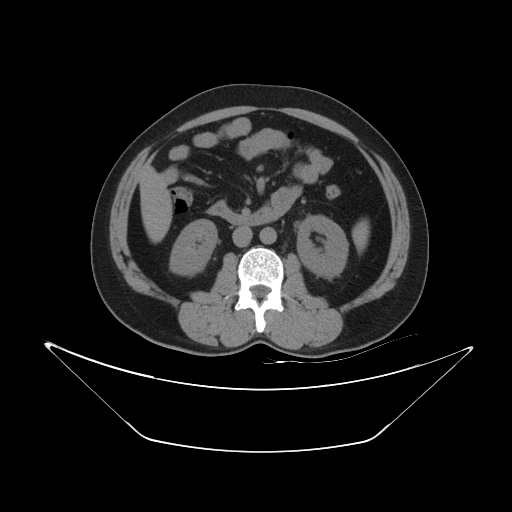
Abdominal CT · axial plane, index 53 · soft-tissue window · 41-year-old male patient
<organs><organ name="liver" x1="139" y1="165" x2="173" y2="243"/><organ name="spleen" x1="352" y1="219" x2="369" y2="253"/><organ name="duodenum" x1="207" y1="201" x2="276" y2="226"/><organ name="inferior vena cava" x1="232" y1="226" x2="252" y2="247"/><organ name="aorta" x1="260" y1="227" x2="276" y2="243"/><organ name="left kidney" x1="297" y1="215" x2="348" y2="277"/><organ name="right kidney" x1="170" y1="219" x2="217" y2="275"/></organs>